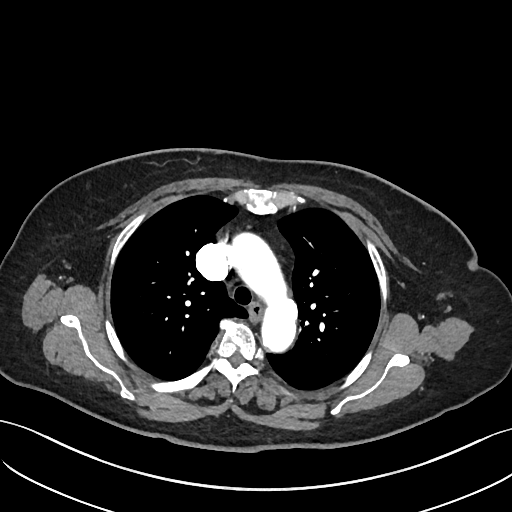

Chest-level slice from an abdominal CT that extends up into the chest. axial view. soft-tissue window. 512x512 px
On a slice this high in the chest, this dataset labels only the esophagus and the aorta, and each is boxed only where it is labeled; the heart, lungs and other chest structures are not labeled.
{"organs":{"aorta":[229,233,297,352],"esophagus":[249,303,262,320]}}